Abdominal CT. Axial slice 13/134. 52-year-old male patient. Aquilion ONE scanner. scan has 15 labeled organs (a whole-scan count: organs this slice does not pass through have no box)
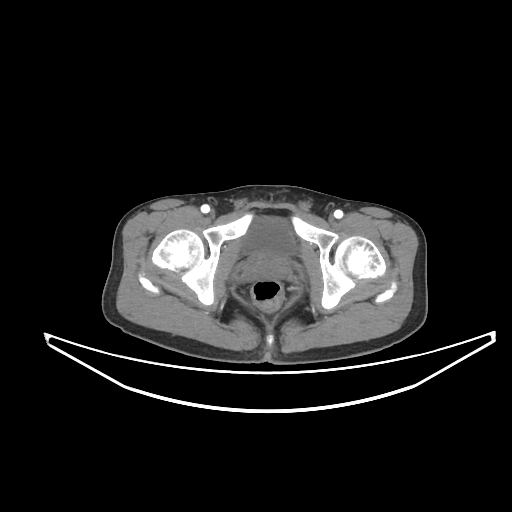 Boxes: x1 y1 x2 y2 (pixel coords, space-separated).
Organ bounding boxes:
- prostate/uterus: 250 256 286 276
- bladder: 242 217 294 256